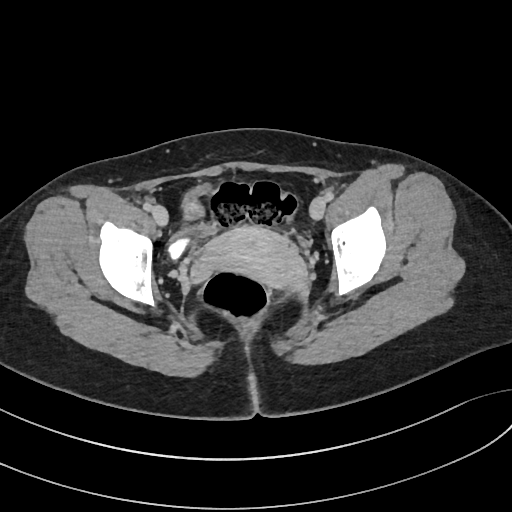 Computed tomography, abdomen. axial view. soft-tissue window. 15 organs annotated in this scan (counted over the whole 3D scan, not this slice; an organ is boxed only where this slice passes through it)
Organ boxes in pixel coordinates; each row gives the top-left (x1, y1) and bottom-right (x2, y2) corners.
| organ | x1 | y1 | x2 | y2 |
|---|---|---|---|---|
| prostate/uterus | 205 | 226 | 305 | 286 |
| bladder | 168 | 184 | 215 | 258 |